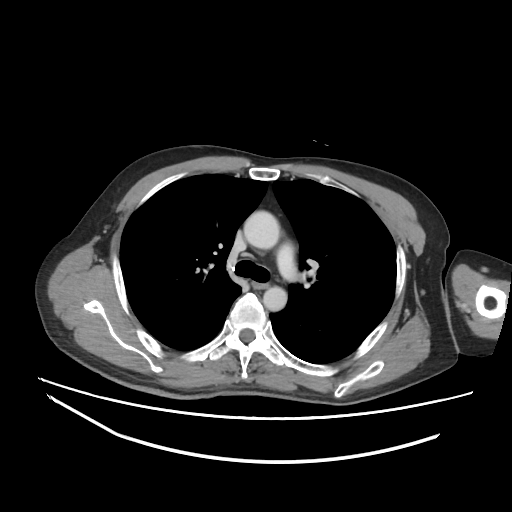
CT of the abdomen extending into the chest, slice through the chest; axial plane, index 105; 54-year-old male patient; scan has 15 labeled organs (a whole-scan count: organs this slice does not pass through have no box)
On a slice this high in the chest, this dataset labels only the esophagus and the aorta, and each is boxed only where it is labeled; the heart, lungs and other chest structures are not labeled.
Each box given as x1,y1,x2,y2.
Organ bounding boxes:
- aorta: x1=243, y1=210, x2=279, y2=249
- aorta: x1=263, y1=286, x2=287, y2=311
- esophagus: x1=251, y1=278, x2=269, y2=288